CT abdomen — axial view — W/L 400/40 HU — 15 organs annotated in this scan (a whole-scan count: organs this slice does not pass through have no box)
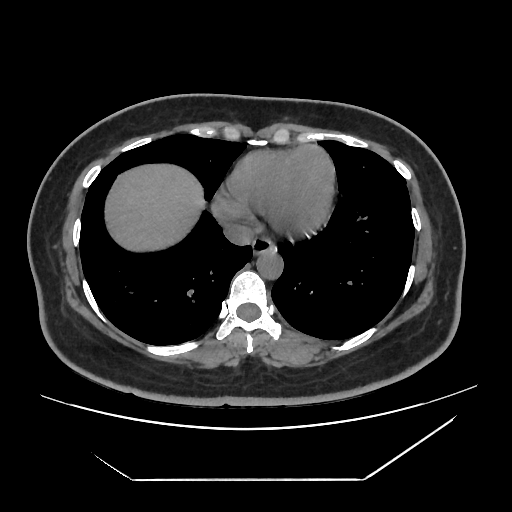 Each box given as x1,y1,x2,y2.
Organ bounding boxes:
- aorta: x1=257, y1=250, x2=283, y2=279
- inferior vena cava: x1=224, y1=223, x2=253, y2=245
- liver: x1=104, y1=165, x2=204, y2=251
- esophagus: x1=252, y1=238, x2=273, y2=255